Abdominal CT. axial view. 62-year-old female patient
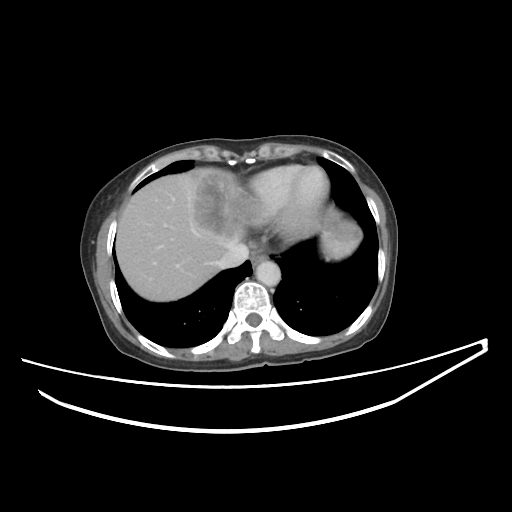
Boxes: x1 y1 x2 y2 (pixel coords, space-separated).
Organ bounding boxes:
- esophagus: 251 251 267 267
- liver: 116 167 360 301
- aorta: 255 260 280 286
- inferior vena cava: 218 244 249 269